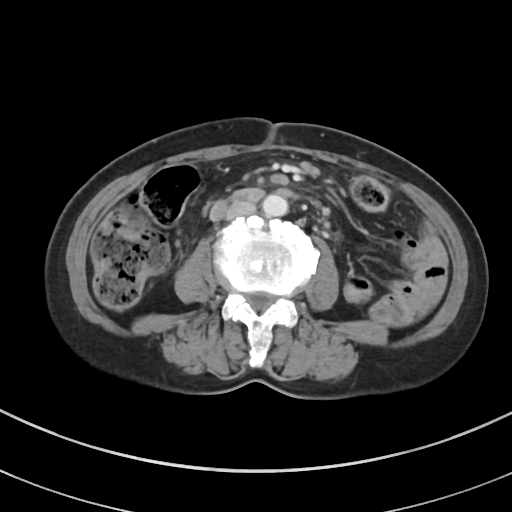 CT abdomen; axial view; W/L 400/40 HU
{"organs":{"aorta":[262,194,287,216],"inferior vena cava":[226,199,256,219]}}